Abdominal CT; axial plane, index 205; soft-tissue window
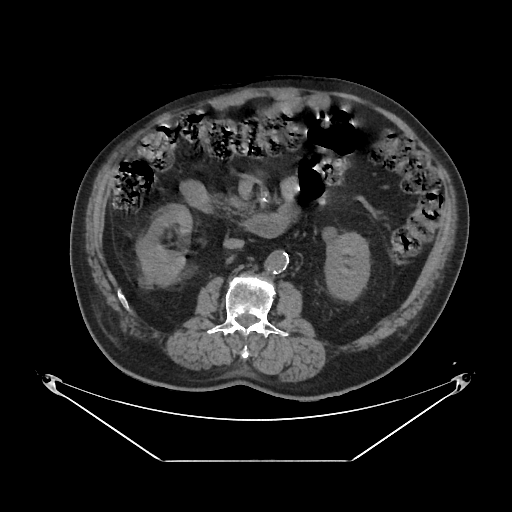 Bounding boxes as [x1, y1, x2, y2] in pixel coordinates. The annotated organs in this slice are: right kidney at [136, 209, 192, 287], left kidney at [324, 232, 370, 301], aorta at [264, 251, 288, 274], inferior vena cava at [223, 238, 243, 248], pancreas at [215, 195, 248, 220], duodenum at [183, 183, 289, 238].